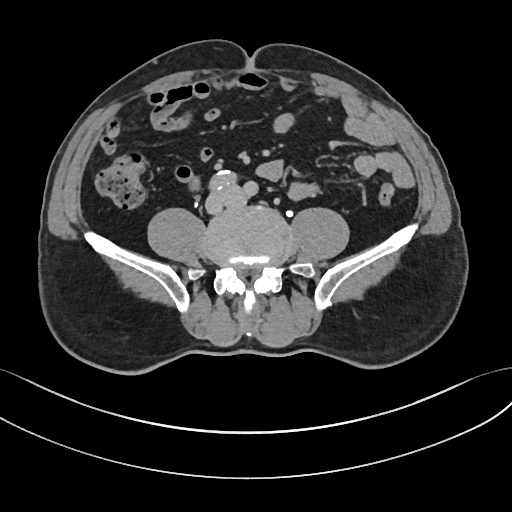

Computed tomography, abdomen · axial plane, index 106 · 512x512 px
<organs><organ name="duodenum" x1="190" y1="178" x2="201" y2="190"/></organs>